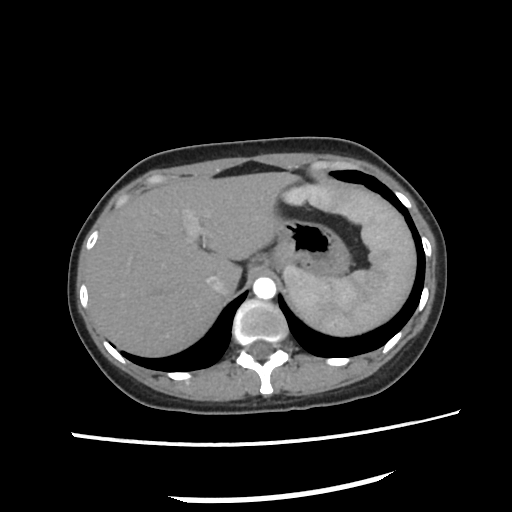

Abdominal CT; axial plane, index 74; 512x512 px
Boxes: x1 y1 x2 y2 (pixel coords, space-separated).
spleen: 282 181 415 336
aorta: 254 278 274 298
liver: 85 173 295 356
stomach: 249 213 351 279
inferior vena cava: 205 273 229 295